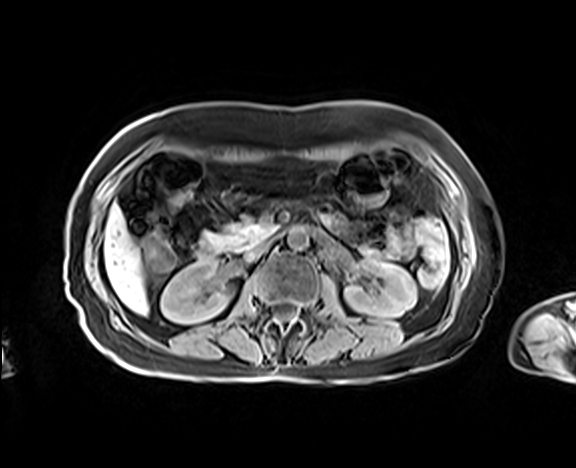
Abdominal MR — axial view — 1st–99th percentile window — 576x468 px
<organs><organ name="aorta" x1="288" y1="227" x2="308" y2="250"/><organ name="pancreas" x1="202" y1="218" x2="274" y2="250"/><organ name="right kidney" x1="161" y1="261" x2="233" y2="323"/><organ name="left kidney" x1="344" y1="261" x2="417" y2="317"/><organ name="inferior vena cava" x1="244" y1="241" x2="271" y2="261"/><organ name="duodenum" x1="196" y1="241" x2="218" y2="261"/><organ name="liver" x1="104" y1="204" x2="148" y2="314"/></organs>